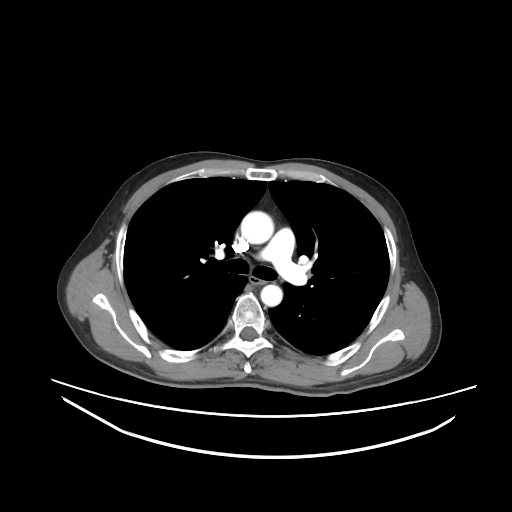

Chest-level slice from an abdominal CT that extends up into the chest — axial plane, index 109 — 512x512 px — scan has 15 labeled organs (a whole-scan count: organs this slice does not pass through have no box)
At this level of the chest no structure but the esophagus and the aorta has a label in this dataset, and those two are boxed only where they are labeled.
Box edges are left/top/right/bottom in pixels.
Organ bounding boxes:
- esophagus: left=250, top=277, right=264, bottom=285
- aorta: left=240, top=211, right=273, bottom=244
- aorta: left=260, top=285, right=282, bottom=306